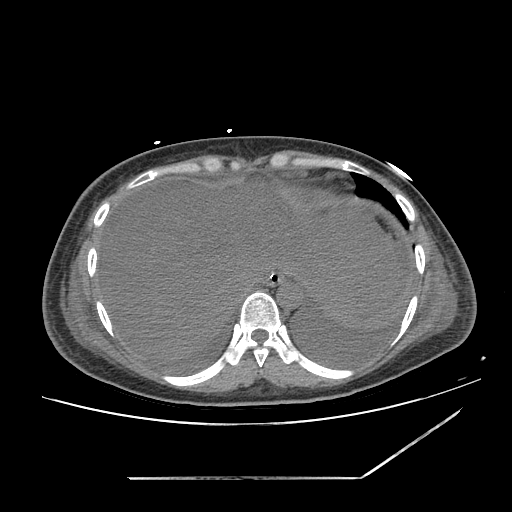
Abdominal CT · axial view
{"organs":{"esophagus":[262,270,287,285],"liver":[98,180,402,360],"stomach":[279,281,285,284],"aorta":[276,281,302,307],"inferior vena cava":[229,267,261,296]}}